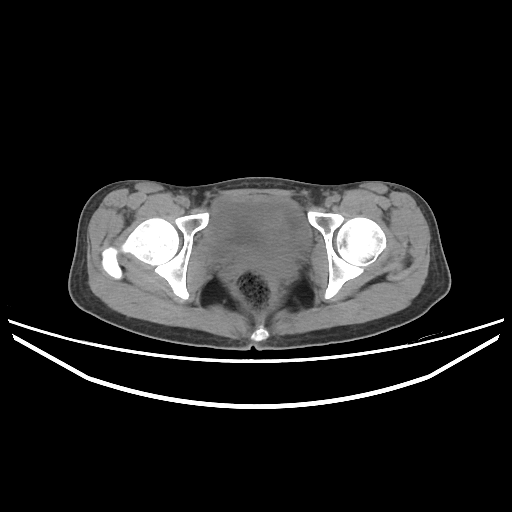 Abdominal CT · axial plane, index 12
<organs><organ name="bladder" x1="210" y1="198" x2="304" y2="265"/><organ name="prostate/uterus" x1="259" y1="214" x2="292" y2="261"/></organs>